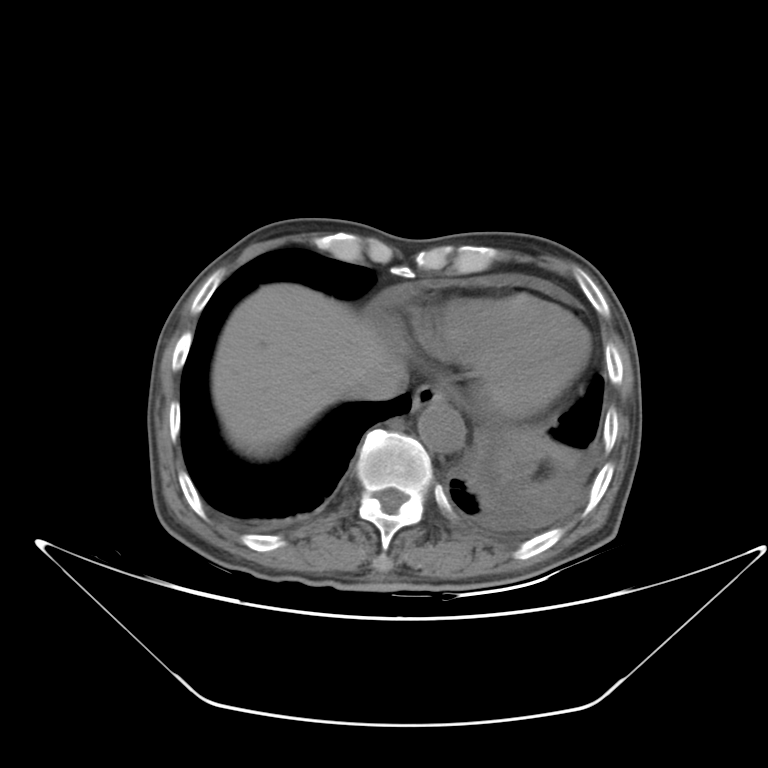
Abdominal CT · axial view · acquired on Brilliance16
Boxes: x1 y1 x2 y2 (pixel coords, space-separated). The annotated organs in this slice are: spleen at 524 481 561 500, esophagus at 409 385 449 413, liver at 212 282 403 455, stomach at 491 430 543 476, aorta at 417 403 464 454, inferior vena cava at 348 361 408 400.